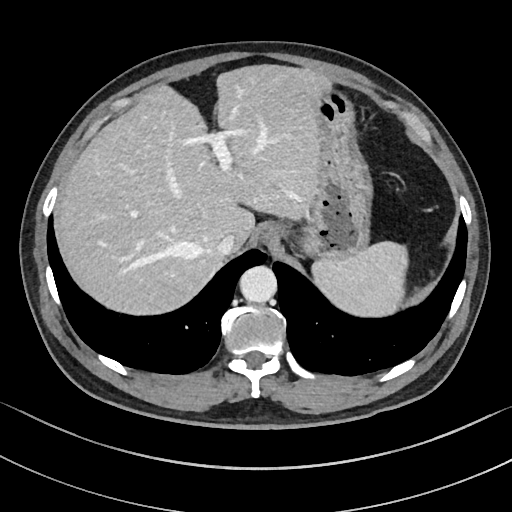
CT abdomen; axial view; W/L 400/40 HU; 512x512 px; acquired on SOMATOM Force
Bounding boxes in pixels, one row per box: x1, y1 is the top-left corner and x2, y2 the bottom-right.
| organ | x1 | y1 | x2 | y2 |
|---|---|---|---|---|
| stomach | 274 | 86 | 372 | 259 |
| esophagus | 257 | 223 | 279 | 249 |
| spleen | 311 | 241 | 408 | 316 |
| liver | 55 | 64 | 332 | 314 |
| inferior vena cava | 217 | 233 | 237 | 255 |
| aorta | 239 | 265 | 276 | 302 |